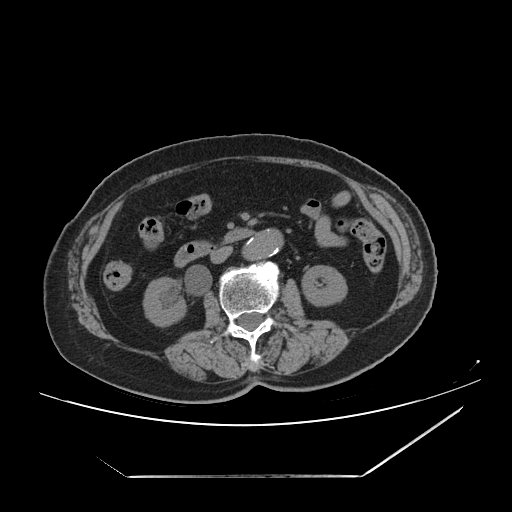
CT, abdomen/pelvis · axial plane, index 101 · W/L 400/40 HU · 512x512 px · scan has 15 labeled organs (that count is for the whole scan; organs this slice misses have no box)
Bounding boxes as [x1, y1, x2, y2] in pixel coordinates. 6 labeled organs on this slice — right kidney at [142, 276, 188, 328]; left kidney at [300, 265, 347, 307]; aorta at [239, 231, 280, 261]; inferior vena cava at [209, 246, 232, 264]; pancreas at [216, 239, 219, 241]; duodenum at [172, 229, 263, 267].